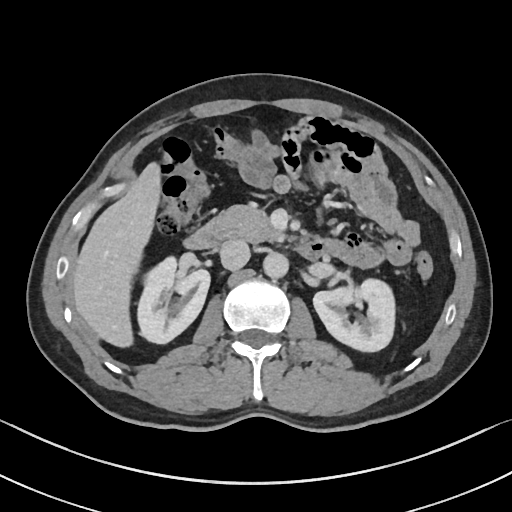
CT abdomen. axial plane, index 127. soft-tissue window (W 400 / L 40)
Boxes: x1 y1 x2 y2 (pixel coords, space-separated).
Organ bounding boxes:
- right kidney: 138 255 210 343
- left kidney: 313 278 395 351
- liver: 74 165 158 346
- aorta: 263 252 288 278
- inferior vena cava: 220 239 250 270
- pancreas: 211 204 281 242
- duodenum: 183 222 330 260